Abdominal MR — axial view — percentile-normalized
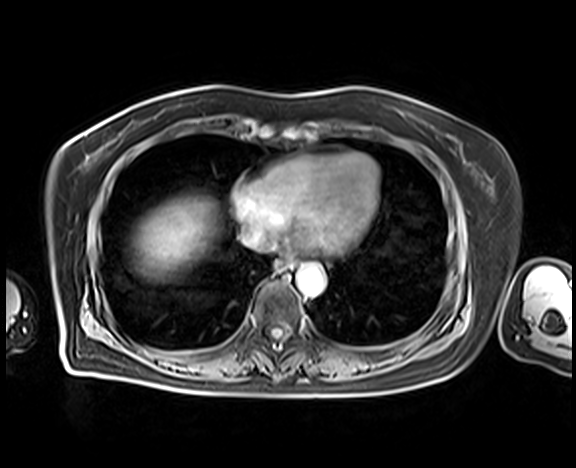 Boxes: x1:y1:x2:y2 in pixels.
Organ bounding boxes:
- esophagus: 275:260:293:272
- liver: 132:196:217:279
- aorta: 296:266:324:296
- inferior vena cava: 241:227:276:253